CT, abdomen/pelvis — axial view — soft-tissue window — 512x512 px — 50-year-old male patient — scan has 14 labeled organs (counted over the whole 3D scan, not this slice; an organ is boxed only where this slice passes through it)
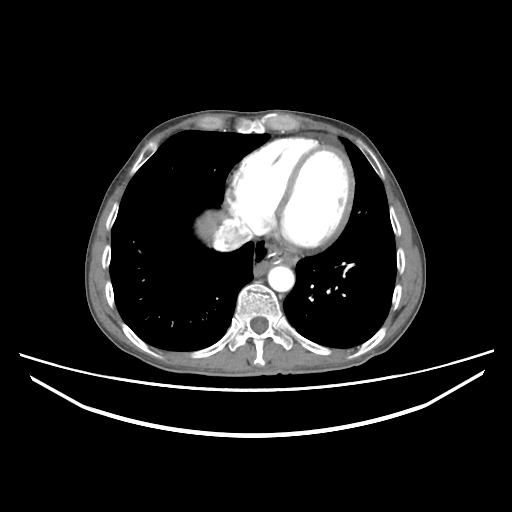

Boxes: x1:y1:x2:y2 in pixels.
Organ bounding boxes:
- liver: 196:211:221:238
- aorta: 268:265:294:291
- inferior vena cava: 213:223:252:251